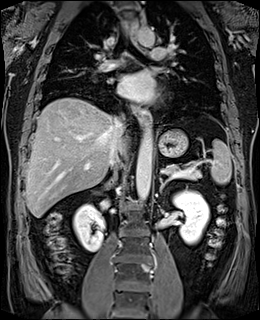
Magnetic resonance imaging, abdomen — coronal view — 1st–99th percentile window
Boxes are (x1, y1, x2, y2) in pixels. The annotated organs in this slice are: spleen at (211, 139, 231, 184), right kidney at (73, 204, 104, 251), left kidney at (173, 190, 209, 244), esophagus at (133, 104, 149, 124), liver at (25, 98, 126, 217), stomach at (158, 129, 188, 157), aorta at (136, 126, 152, 200), aorta at (137, 27, 156, 45), inferior vena cava at (110, 116, 124, 169), pancreas at (164, 164, 201, 179), right adrenal gland at (104, 175, 116, 186), left adrenal gland at (159, 176, 168, 192).